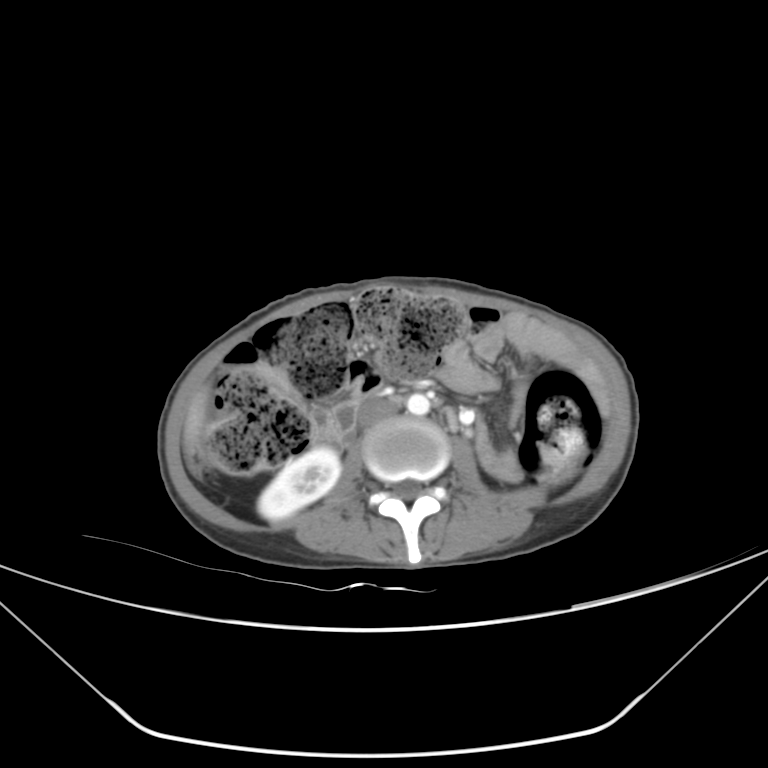
Computed tomography, abdomen — axial plane, index 49 — 768x768 px — 32-year-old female patient
Boxes are (x1, y1, x2, y2) in pixels. Labeled organs on this slice: right kidney at (258, 447, 340, 520), liver at (184, 391, 207, 452), aorta at (406, 393, 430, 415), inferior vena cava at (358, 397, 400, 425).